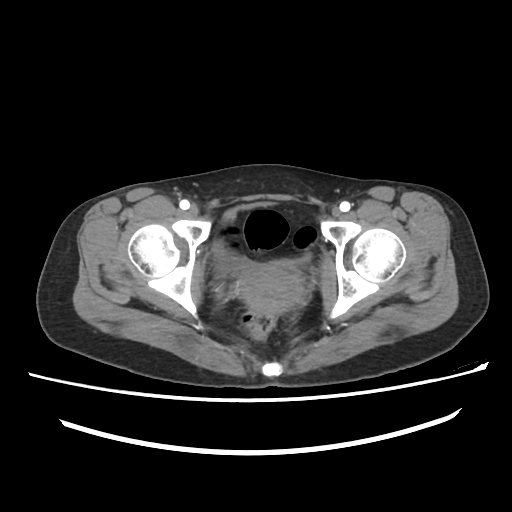
Computed tomography, abdomen; axial plane, index 17; W/L 400/40 HU; 45-year-old female patient
Organ boxes in pixel coordinates; each row gives the top-left (x1, y1) and bottom-right (x2, y2) corners.
| organ | x1 | y1 | x2 | y2 |
|---|---|---|---|---|
| bladder | 213 | 202 | 309 | 276 |
| prostate/uterus | 239 | 267 | 301 | 312 |